Computed tomography, abdomen · axial plane, index 149 · 512x512 px
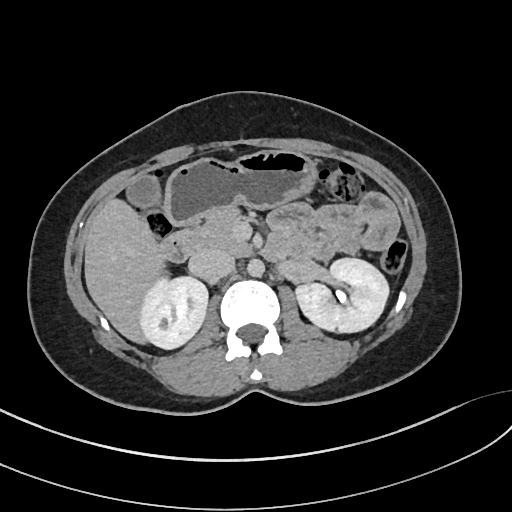
<organs><organ name="right kidney" x1="138" y1="278" x2="208" y2="349"/><organ name="left kidney" x1="294" y1="258" x2="390" y2="333"/><organ name="gall bladder" x1="126" y1="174" x2="162" y2="210"/><organ name="liver" x1="84" y1="196" x2="162" y2="345"/><organ name="stomach" x1="165" y1="150" x2="320" y2="225"/><organ name="aorta" x1="247" y1="259" x2="264" y2="278"/><organ name="inferior vena cava" x1="188" y1="249" x2="234" y2="280"/><organ name="pancreas" x1="193" y1="206" x2="250" y2="255"/><organ name="duodenum" x1="160" y1="228" x2="197" y2="261"/></organs>